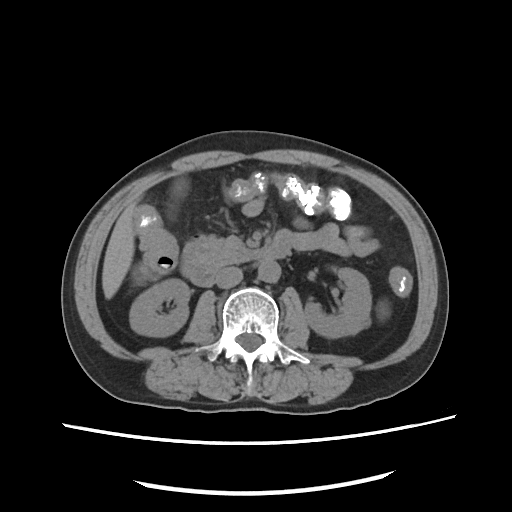
CT, abdomen/pelvis. axial view. soft-tissue window. 68-year-old male patient. Aquilion ONE scanner. 15 organs annotated in this scan (that count is for the whole scan; organs this slice misses have no box)
<organs><organ name="inferior vena cava" x1="215" y1="267" x2="242" y2="288"/><organ name="left kidney" x1="304" y1="268" x2="371" y2="337"/><organ name="right kidney" x1="129" y1="279" x2="189" y2="336"/><organ name="stomach" x1="196" y1="234" x2="217" y2="246"/><organ name="liver" x1="102" y1="204" x2="134" y2="298"/><organ name="spleen" x1="380" y1="306" x2="388" y2="315"/><organ name="duodenum" x1="181" y1="231" x2="291" y2="286"/><organ name="pancreas" x1="204" y1="236" x2="265" y2="264"/><organ name="gall bladder" x1="174" y1="182" x2="185" y2="196"/><organ name="aorta" x1="258" y1="261" x2="280" y2="282"/></organs>